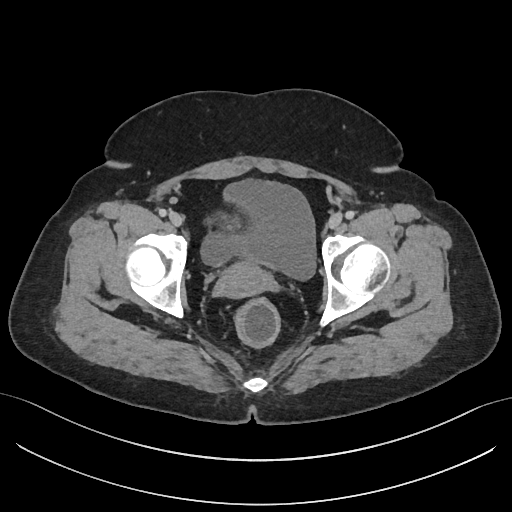
Abdominal CT. Axial slice 38/305. W/L 400/40 HU. SOMATOM Force scanner
Bounding boxes as [x1, y1, x2, y2] in pixel coordinates.
bladder: [202, 179, 316, 279]
prostate/uterus: [216, 217, 269, 298]